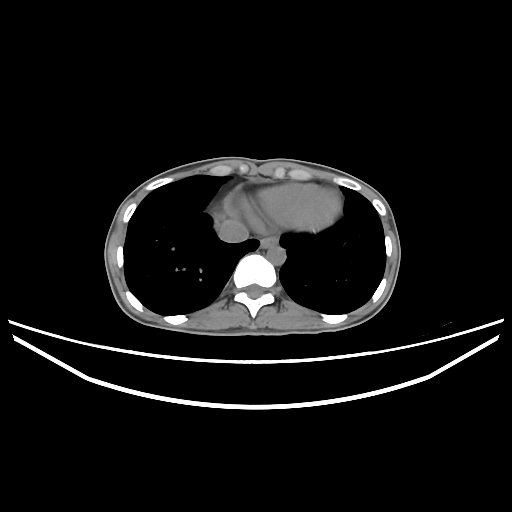 Lower-chest slice from an abdominal CT, just above the liver and spleen — axial plane, index 82 — 512x512 px — 31-year-old female patient
No part of the heart or lungs is labeled in this dataset, so neither has a box here.
Coordinates as <box>x1,y1,x2,y2</box> in pixels.
esophagus: <box>260,236,277,247</box>
aorta: <box>267,244,285,265</box>
inferior vena cava: <box>219,219,248,242</box>